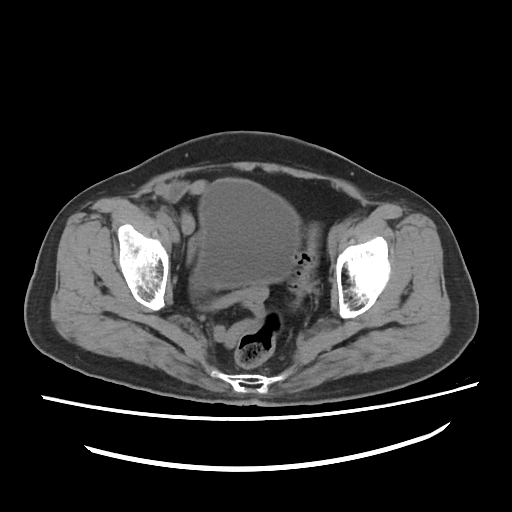
Abdominal CT · axial view · abdomen soft-tissue window · 512x512 px · 14 organs annotated in this scan (that count is for the whole scan; organs this slice misses have no box)
Bounding boxes as [x1, y1, x2, y2] in pixel coordinates. The annotated organs in this slice are: bladder at [191, 179, 299, 291].